CT of the abdomen reaching into the lower chest, slice just above the liver and spleen — axial plane, index 96 — soft-tissue window (W 400 / L 40)
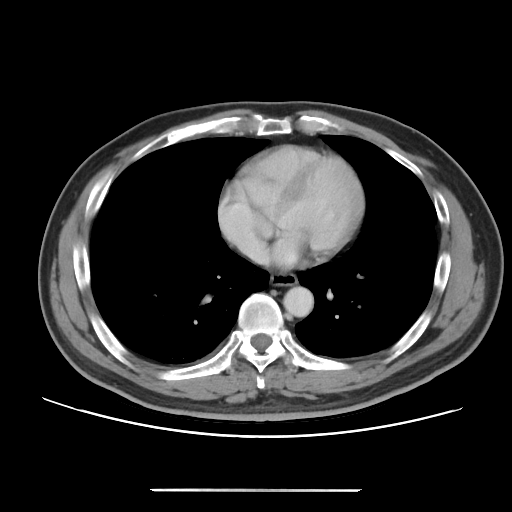
Of the structures in the chest, this dataset labels only the esophagus, the aorta and the inferior vena cava; the heart and lungs have no label.
Bounding boxes as [x1, y1, x2, y2] in pixel coordinates.
Organ bounding boxes:
- esophagus: [270, 273, 297, 286]
- aorta: [283, 286, 313, 317]